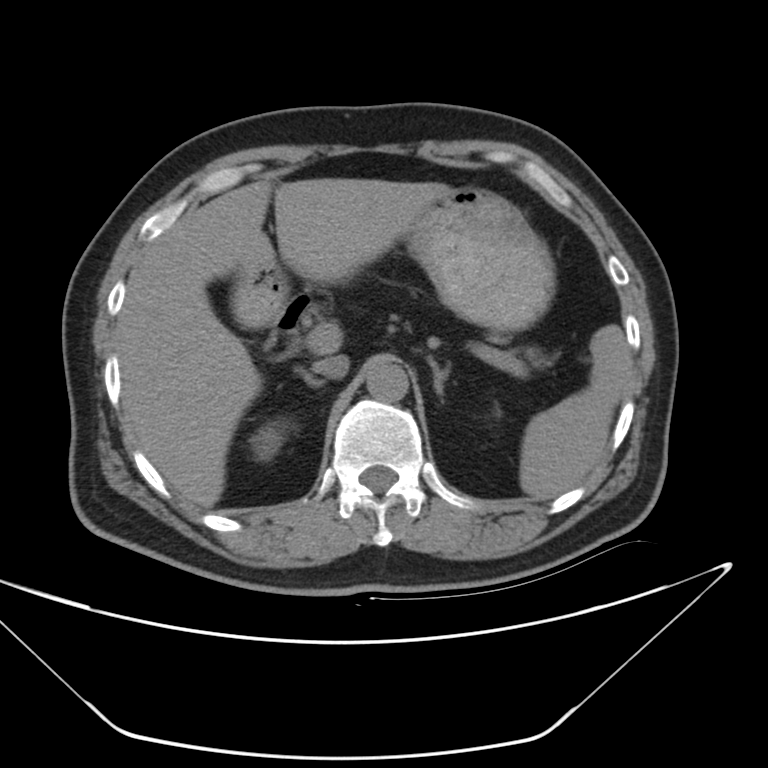

CT, abdomen/pelvis; axial plane, index 77; 768x768 px; 50-year-old male patient
Box edges are left/top/right/bottom in pixels.
duodenum: left=274, top=295, right=317, bottom=333
left adrenal gland: left=427, top=355, right=450, bottom=399
stomach: left=231, top=187, right=557, bottom=332
spleen: left=521, top=325, right=626, bottom=498
right adrenal gland: left=293, top=365, right=325, bottom=386
inferior vena cava: left=317, top=355, right=352, bottom=378
aorta: left=363, top=366, right=408, bottom=401
liver: left=117, top=179, right=451, bottom=507
right kidney: left=253, top=425, right=279, bottom=459